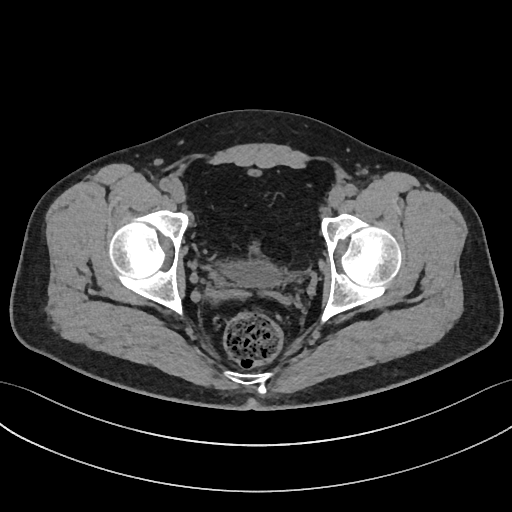 Abdominal CT · Axial slice 38/225 · soft-tissue window
{"organs":{"bladder":[223,264,285,287]}}